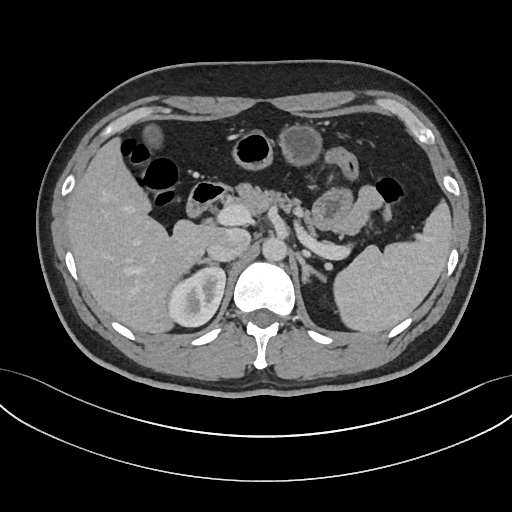

Computed tomography, abdomen. Axial slice 191/345. 512x512 px
Bounding boxes as [x1, y1, x2, y2] in pixel coordinates.
inferior vena cava: [208, 228, 250, 262]
gall bladder: [139, 122, 167, 154]
liver: [66, 136, 220, 333]
left adrenal gland: [296, 252, 327, 284]
pancreas: [222, 185, 334, 250]
duodenum: [189, 182, 231, 213]
spleen: [333, 200, 451, 333]
aorta: [262, 237, 287, 261]
right kidney: [168, 267, 226, 326]
right adrenal gland: [196, 259, 219, 265]
stomach: [232, 125, 321, 169]